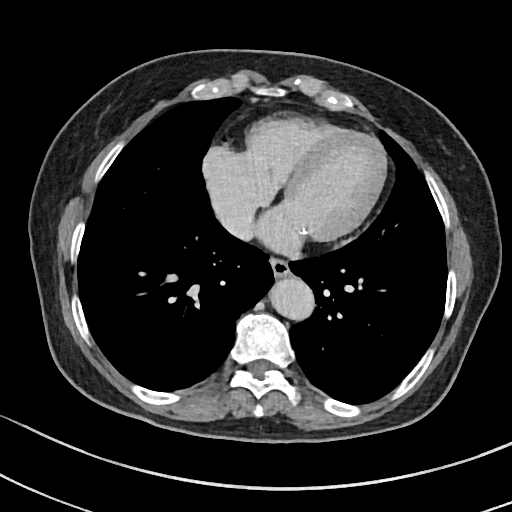 CT of the abdomen reaching into the lower chest, slice just above the liver and spleen · axial plane, index 191 · 512x512 px
The heart and lungs are never labeled in this dataset, so they have no box on this slice.
One row per box, in pixels: columns x1 and y1 give the top-left corner, x2 and y2 the bottom-right.
| organ | x1 | y1 | x2 | y2 |
|---|---|---|---|---|
| esophagus | 270 | 256 | 290 | 276 |
| aorta | 267 | 276 | 313 | 318 |
| inferior vena cava | 218 | 205 | 256 | 240 |